CT abdomen; axial view; soft-tissue window (W 400 / L 40)
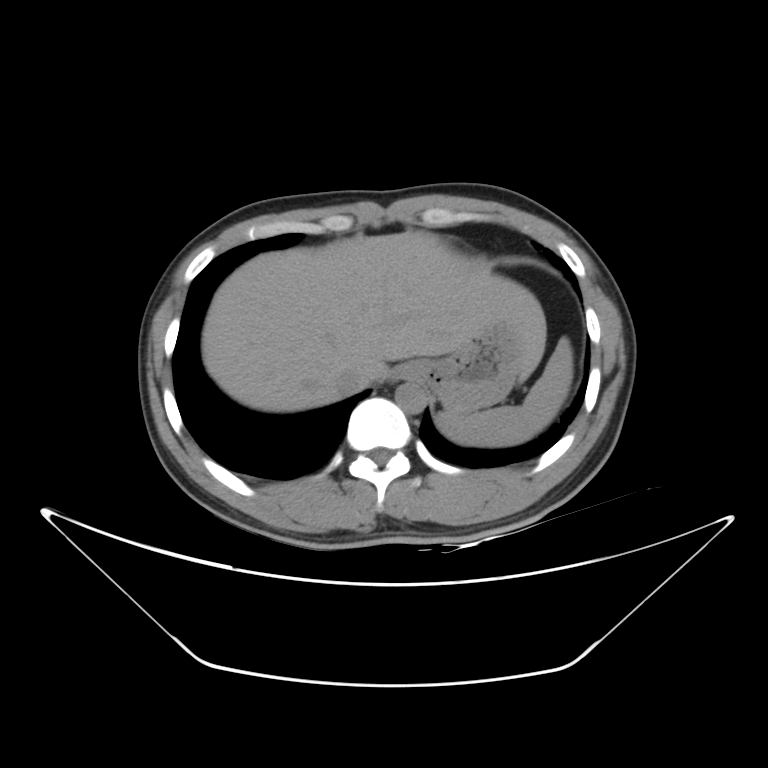 {"organs":{"liver":[201,230,546,411],"spleen":[437,337,572,446],"stomach":[416,325,523,414],"inferior vena cava":[334,364,367,394],"esophagus":[390,363,420,381],"aorta":[395,379,427,414]}}